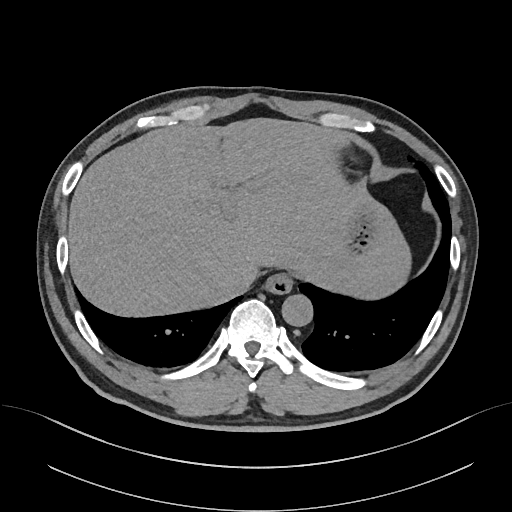

CT, abdomen/pelvis — axial view — soft-tissue window (W 400 / L 40) — 512x512 px — acquired on SOMATOM Force — scan has 15 labeled organs (that count is for the whole scan; organs this slice misses have no box)
Boxes: x1 y1 x2 y2 (pixel coords, space-separated). The annotated organs in this slice are: stomach at 347 207 375 253, esophagus at 265 273 293 294, inferior vena cava at 231 267 257 293, liver at 68 118 410 315, aorta at 281 294 312 326.